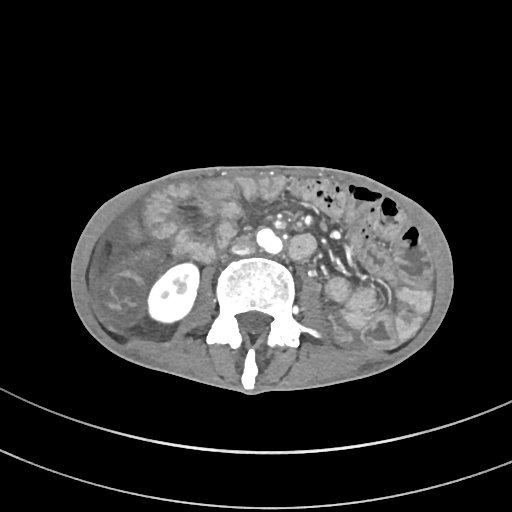 CT abdomen; axial view; abdomen soft-tissue window; SOMATOM Force scanner; scan has 15 labeled organs (a whole-scan count: organs this slice does not pass through have no box)
Boxes are (x1, y1, x2, y2) in pixels.
inferior vena cava: (231, 237, 255, 254)
right kidney: (147, 264, 200, 323)